Abdominal CT · axial view · 768x768 px
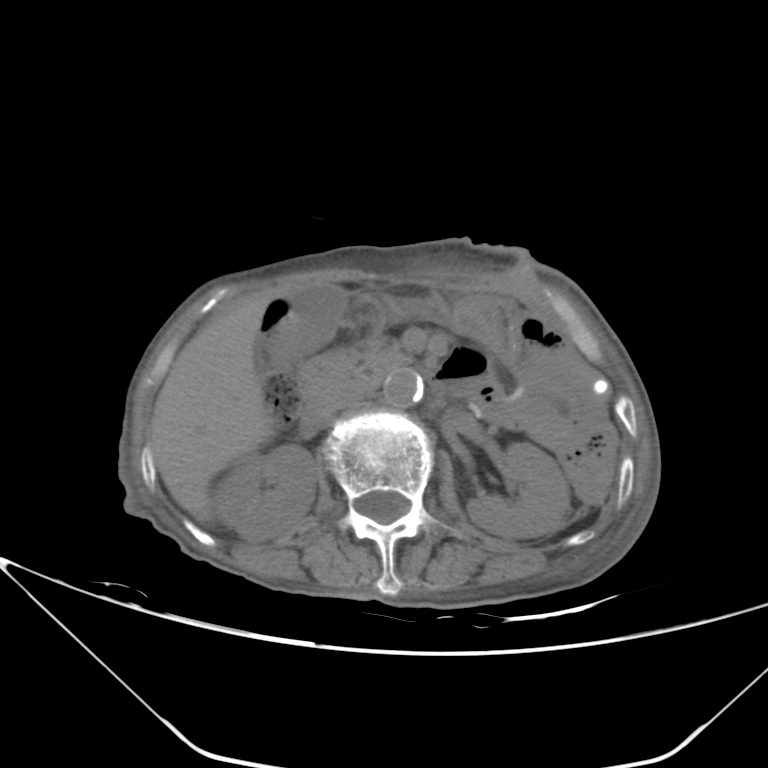
Bounding boxes as [x1, y1, x2, y2] in pixel coordinates.
stomach: [374, 295, 519, 356]
right kidney: [213, 445, 317, 540]
pancreas: [341, 340, 405, 382]
duodenum: [300, 294, 475, 428]
liver: [150, 291, 283, 522]
inferior vena cava: [316, 379, 375, 426]
aorta: [383, 369, 423, 407]
gall bladder: [263, 284, 346, 367]
left kidney: [467, 443, 569, 538]